CT, abdomen/pelvis — axial plane, index 13 — soft-tissue window (W 400 / L 40)
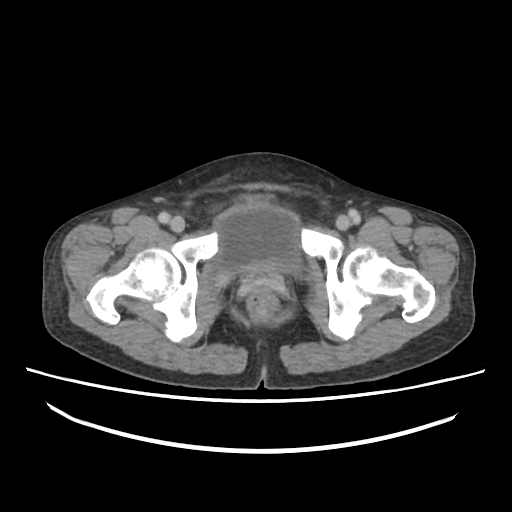
{"organs":{"bladder":[215,207,297,278]}}